CT abdomen; axial plane, index 104
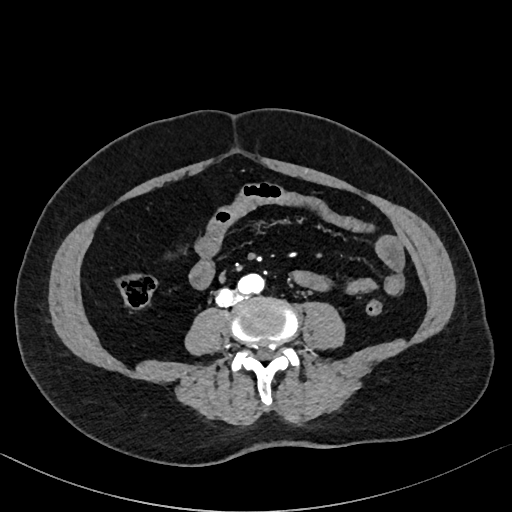
Boxes: x1 y1 x2 y2 (pixel coords, space-separated).
Organ bounding boxes:
- aorta: 237 274 265 294
- inferior vena cava: 216 289 233 305